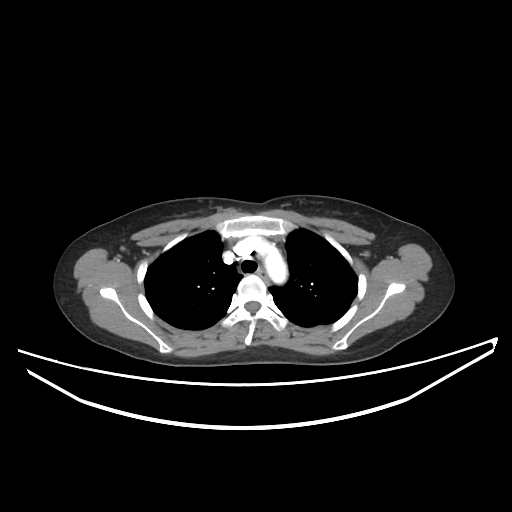 Chest-level CT slice, above the liver and spleen; axial view; soft-tissue window (W 400 / L 40); 37-year-old female patient
On a slice this high in the chest, this dataset labels only the esophagus and the aorta, and each is boxed only where it is labeled; the heart, lungs and other chest structures are not labeled. Boxes: x1 y1 x2 y2 (pixel coords, space-separated). Labeled organs on this slice: esophagus at 257 268 266 277, aorta at 264 250 287 283.